Chest-level slice from an abdominal CT that extends up into the chest. axial plane, index 244. W/L 400/40 HU. 512x512 px
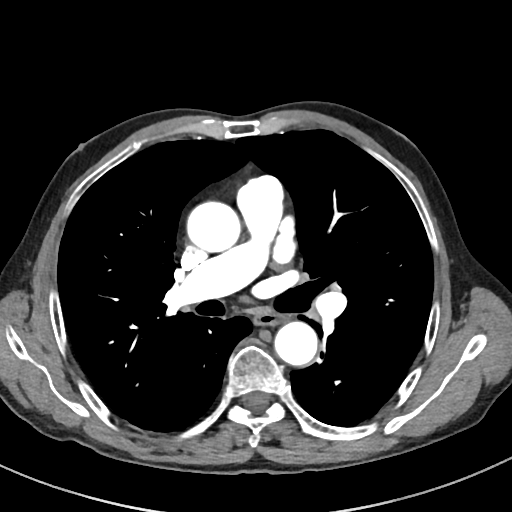
On a slice this high in the chest, this dataset labels only the esophagus and the aorta, and each is boxed only where it is labeled; the heart, lungs and other chest structures are not labeled.
Each box given as x1,y1,x2,y2.
Organ bounding boxes:
- aorta: x1=187, y1=201, x2=240, y2=252
- aorta: x1=274, y1=321, x2=317, y2=365
- esophagus: x1=254, y1=313, x2=284, y2=325